CT, abdomen/pelvis — axial plane, index 76 — 768x768 px — scan has 14 labeled organs (counted over the whole 3D scan, not this slice; an organ is boxed only where this slice passes through it)
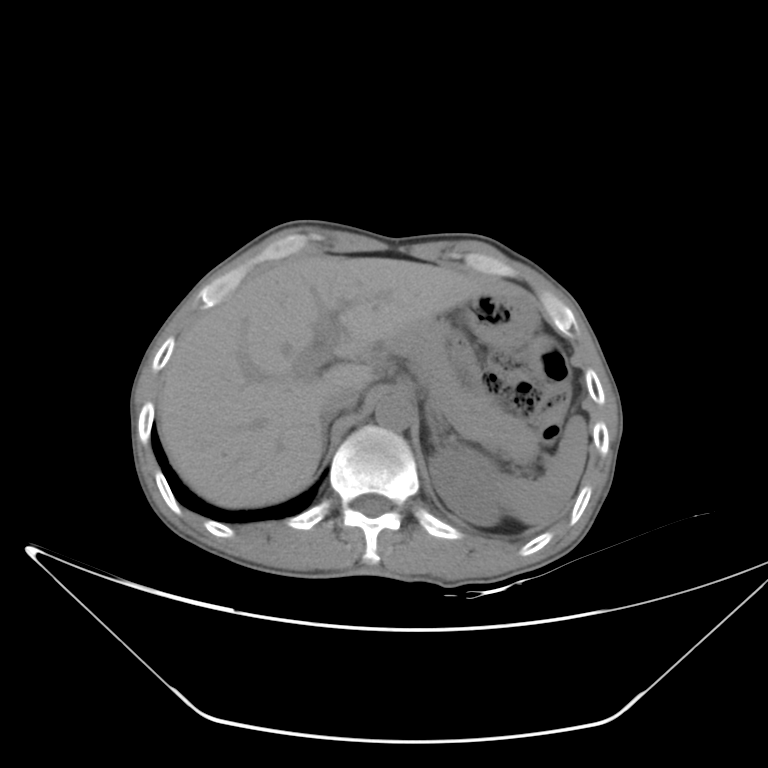

Boxes are (x1, y1, x2, y2) in pixels.
spleen: (499, 415, 587, 525)
left kidney: (429, 450, 502, 525)
stomach: (463, 287, 538, 352)
aorta: (375, 393, 413, 431)
liver: (158, 255, 506, 508)
pancreas: (386, 324, 538, 463)
left adrenal gland: (427, 408, 444, 449)
right adrenal gland: (321, 415, 333, 453)
inferior vena cava: (320, 386, 359, 415)